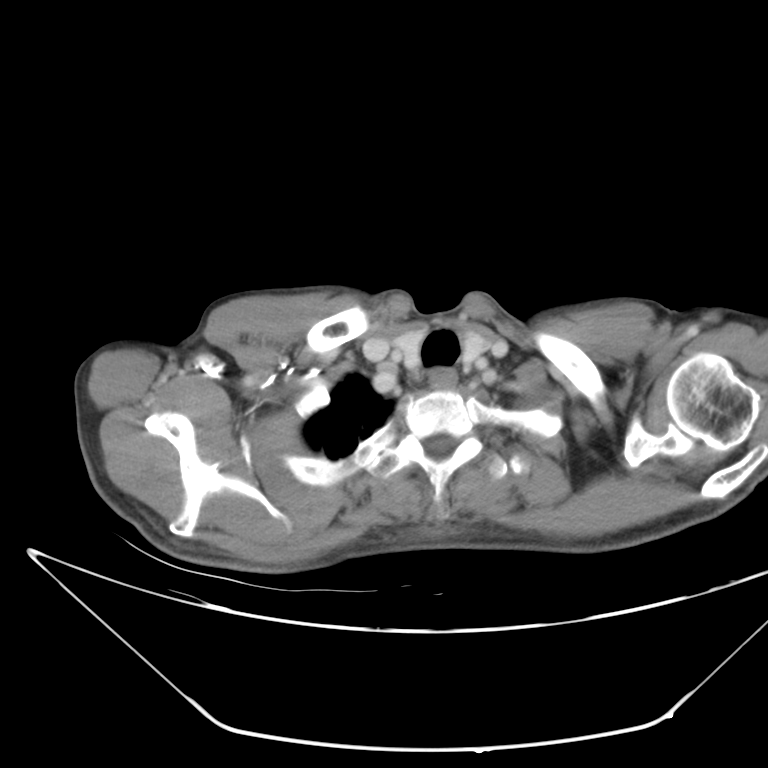

CT of the abdomen extending into the chest, slice through the chest; axial plane, index 99; 62-year-old male patient
At this level of the chest no structure but the esophagus and the aorta has a label in this dataset, and those two are boxed only where they are labeled.
{"organs":{"esophagus":[428,368,456,388]}}